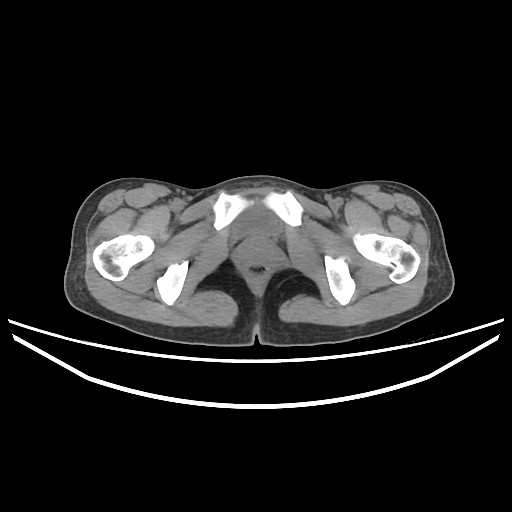
CT abdomen. axial view. soft-tissue window (W 400 / L 40). scan has 15 labeled organs (that count is for the whole scan; organs this slice misses have no box)
Coordinates as <box>x1,y1,x2,y2</box> in pixels.
Organ bounding boxes:
- bladder: <box>233,207,281,237</box>